CT abdomen; axial view; 512x512 px
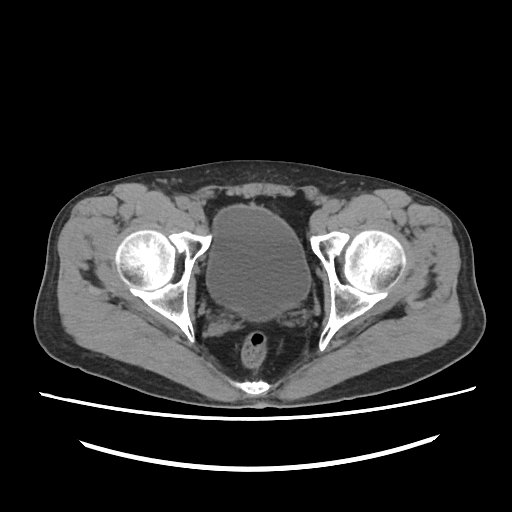 Bounding boxes as [x1, y1, x2, y2] in pixel coordinates.
Organ bounding boxes:
- bladder: [208, 203, 307, 319]